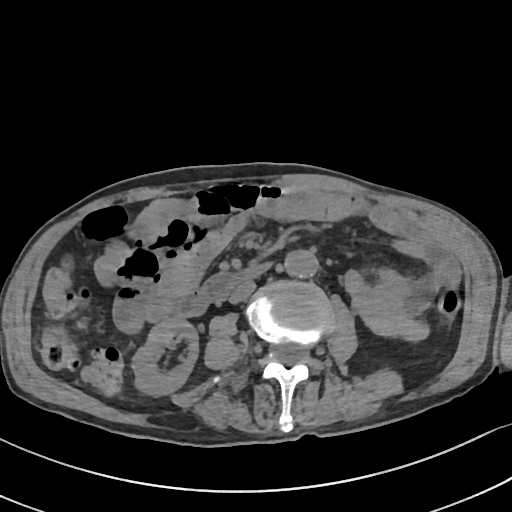
Computed tomography, abdomen. axial view. SOMATOM Force scanner. 15 organs annotated in this scan (counted over the whole 3D scan, not this slice; an organ is boxed only where this slice passes through it)
{"organs":{"right kidney":[131,316,198,396],"aorta":[285,250,318,277],"inferior vena cava":[228,280,255,303],"duodenum":[172,262,270,316]}}